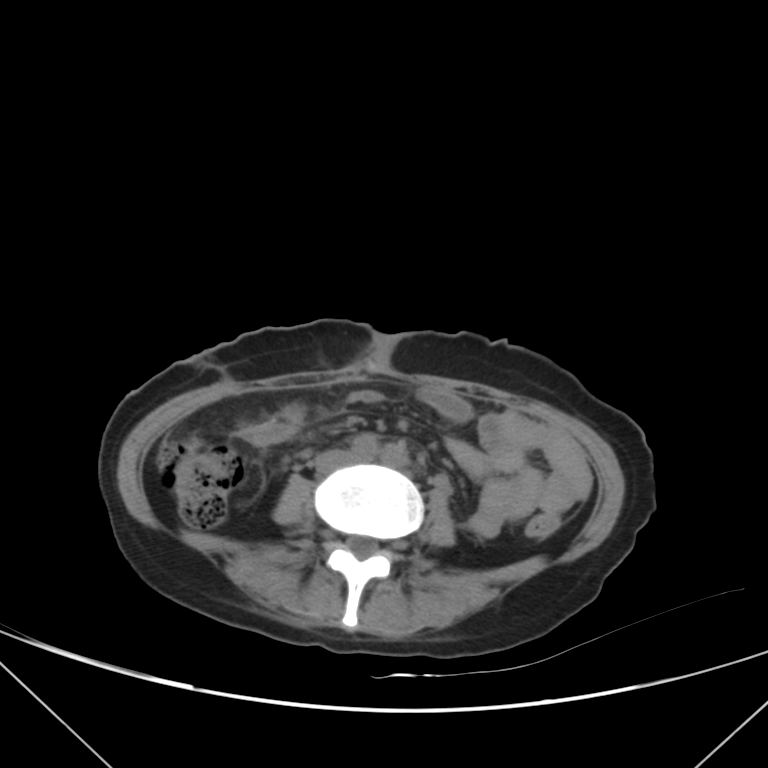

CT abdomen; axial view; W/L 400/40 HU; 768x768 px; 39-year-old female patient; 15 organs annotated in this scan (counted over the whole 3D scan, not this slice; an organ is boxed only where this slice passes through it)
Organ boxes in pixel coordinates; each row gives the top-left (x1, y1) and bottom-right (x2, y2) corners.
| organ | x1 | y1 | x2 | y2 |
|---|---|---|---|---|
| inferior vena cava | 315 | 450 | 354 | 473 |